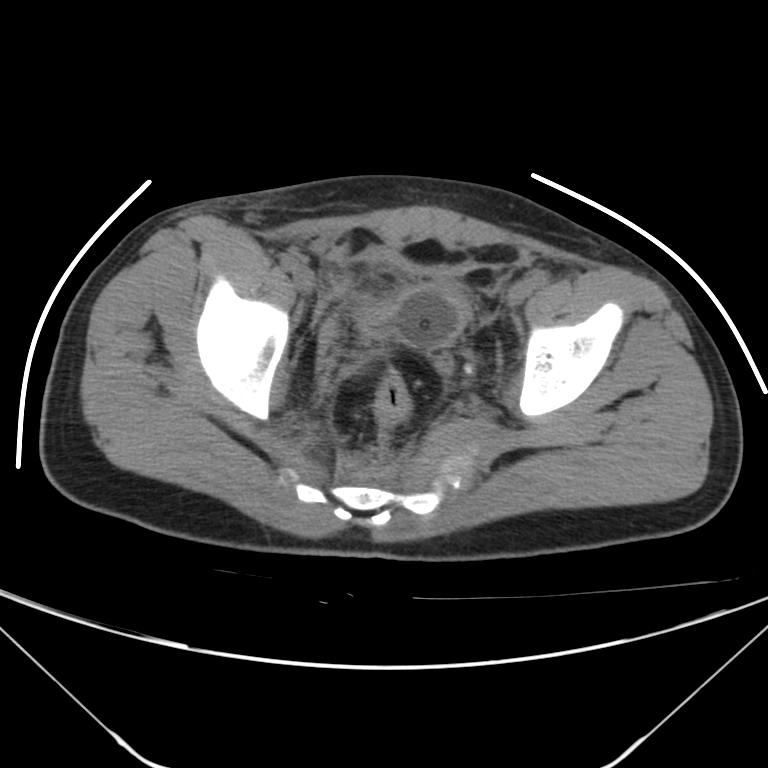 CT, abdomen/pelvis. axial plane, index 20. 24-year-old male patient. acquired on Brilliance16
{"organs":{"bladder":[361,284,470,349]}}